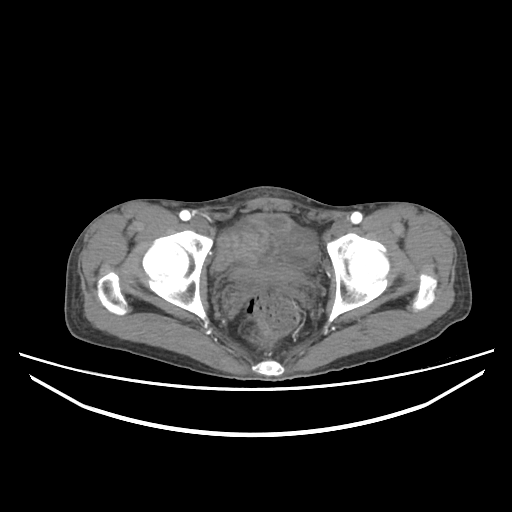
CT, abdomen/pelvis · axial view · 512x512 px · 50-year-old male patient
<organs><organ name="bladder" x1="233" y1="214" x2="303" y2="281"/></organs>